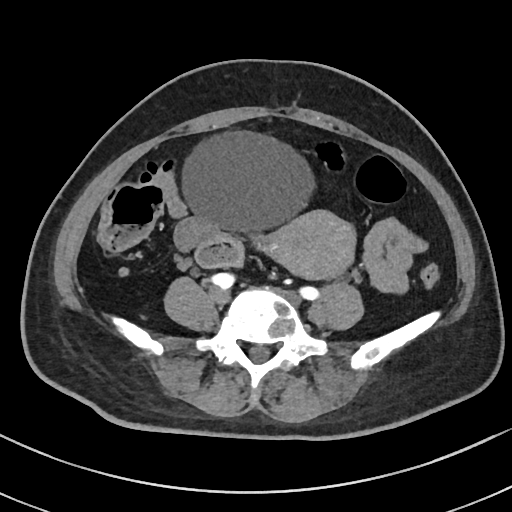
Computed tomography, abdomen · axial view · scan has 15 labeled organs (that count is for the whole scan; organs this slice misses have no box)
Each box given as x1,y1,x2,y2.
Organ bounding boxes:
- bladder: x1=181, y1=129, x2=313, y2=232
- prostate/uterus: x1=251, y1=210, x2=356, y2=279